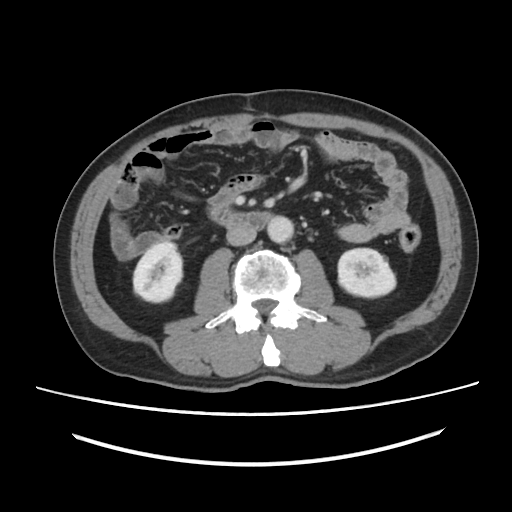 Computed tomography, abdomen · axial view · W/L 400/40 HU · 512x512 px · 58-year-old male patient · acquired on Aquilion ONE
Bounding boxes as [x1, y1, x2, y2] in pixel coordinates.
duodenum: [209, 205, 271, 228]
aorta: [267, 216, 293, 243]
inferior vena cava: [226, 223, 256, 245]
right kidney: [133, 242, 182, 302]
left kidney: [338, 248, 395, 297]